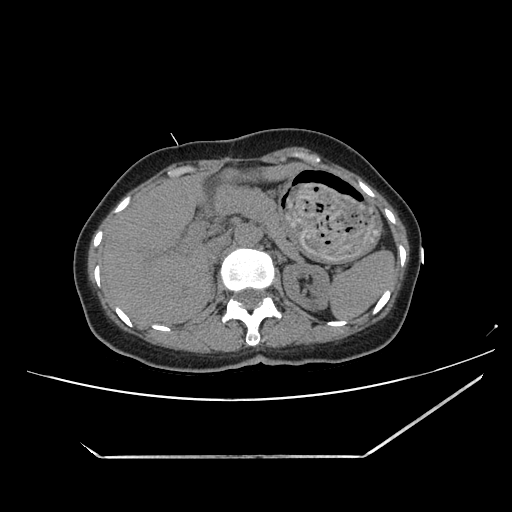
CT abdomen — axial view
Bounding boxes in pixels, one row per box: x1, y1 is the top-left corner and x2, y2 the bottom-right.
| organ | x1 | y1 | x2 | y2 |
|---|---|---|---|---|
| spleen | 328 | 250 | 395 | 320 |
| left kidney | 282 | 261 | 329 | 310 |
| liver | 104 | 161 | 307 | 325 |
| stomach | 277 | 168 | 382 | 266 |
| aorta | 235 | 224 | 259 | 246 |
| inferior vena cava | 205 | 236 | 228 | 264 |
| pancreas | 213 | 184 | 302 | 261 |
| right adrenal gland | 212 | 269 | 216 | 296 |